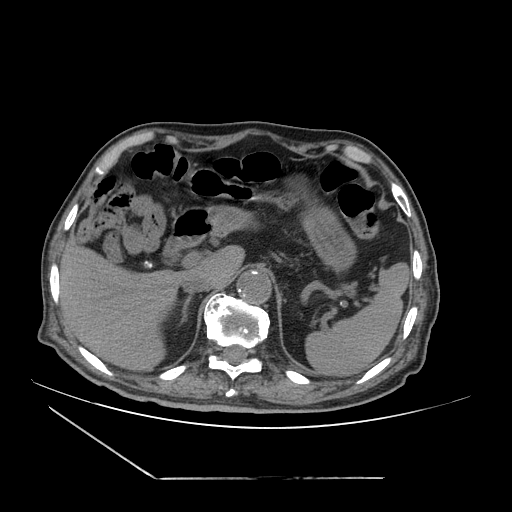

CT, abdomen/pelvis; axial view; soft-tissue window (W 400 / L 40)
Bounding boxes as [x1, y1, x2, y2] in pixel coordinates.
Organ bounding boxes:
- right adrenal gland: [180, 297, 191, 321]
- inferior vena cava: [182, 276, 212, 293]
- spleen: [304, 261, 408, 376]
- stomach: [203, 205, 356, 268]
- aorta: [238, 271, 272, 305]
- gall bladder: [140, 261, 151, 268]
- liver: [60, 244, 245, 371]
- duodenum: [164, 205, 214, 254]